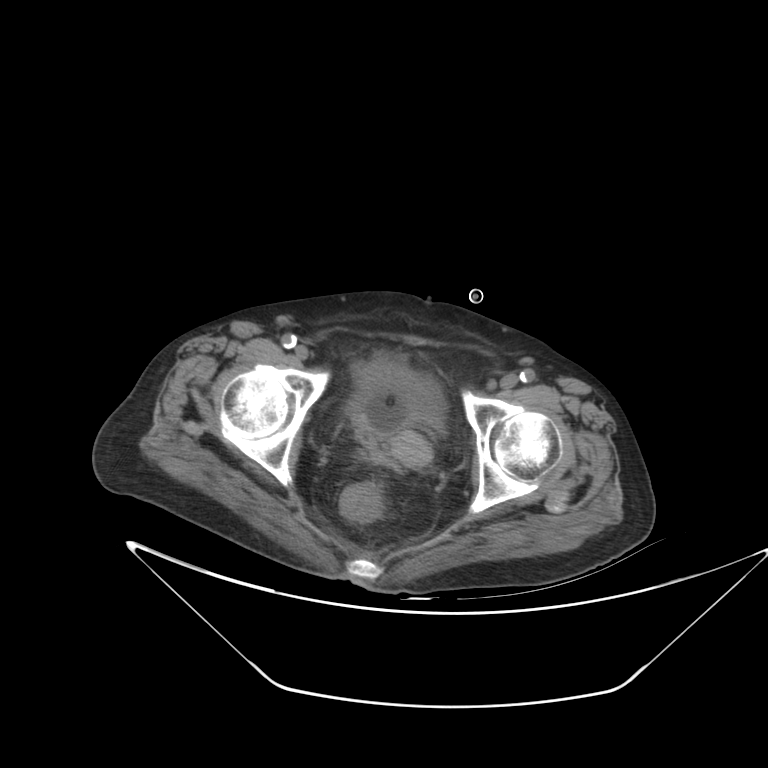

CT, abdomen/pelvis — axial view
<organs><organ name="prostate/uterus" x1="391" y1="431" x2="430" y2="466"/><organ name="bladder" x1="348" y1="351" x2="446" y2="435"/></organs>